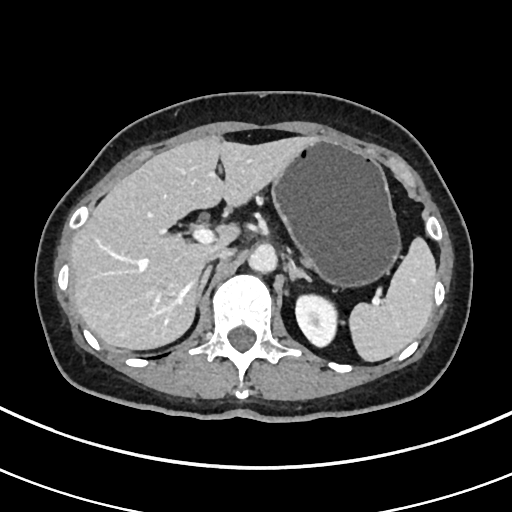
CT, abdomen/pelvis — axial plane, index 150 — abdomen soft-tissue window — 512x512 px
<organs><organ name="right adrenal gland" x1="195" y1="266" x2="211" y2="305"/><organ name="left adrenal gland" x1="288" y1="260" x2="310" y2="280"/><organ name="stomach" x1="272" y1="140" x2="401" y2="287"/><organ name="liver" x1="69" y1="136" x2="319" y2="349"/><organ name="inferior vena cava" x1="209" y1="247" x2="233" y2="260"/><organ name="aorta" x1="248" y1="244" x2="277" y2="273"/><organ name="left kidney" x1="296" y1="294" x2="337" y2="346"/><organ name="spleen" x1="349" y1="237" x2="436" y2="361"/></organs>